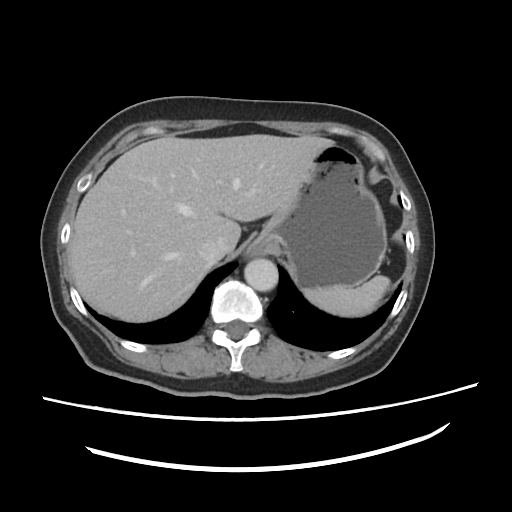 CT, abdomen/pelvis; axial plane, index 78; abdomen soft-tissue window; 512x512 px; 61-year-old female patient; acquired on Aquilion ONE
One row per box, in pixels: columns x1 and y1 give the top-left corner, x2 and y2 the bottom-right.
| organ | x1 | y1 | x2 | y2 |
|---|---|---|---|---|
| stomach | 249 | 146 | 386 | 291 |
| inferior vena cava | 195 | 236 | 223 | 262 |
| liver | 69 | 135 | 336 | 322 |
| spleen | 305 | 275 | 390 | 318 |
| aorta | 245 | 257 | 279 | 291 |